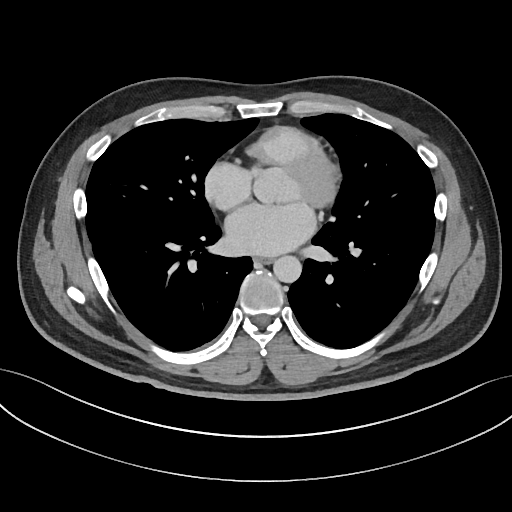 Lower-chest slice from an abdominal CT, just above the liver and spleen — axial view — SOMATOM Force scanner
Of the structures in the chest, this dataset labels only the esophagus, the aorta and the inferior vena cava; the heart and lungs have no label. Box edges are left/top/right/bottom in pixels. 2 labeled organs on this slice — esophagus at left=254, top=256, right=272, bottom=263; aorta at left=273, top=256, right=301, bottom=283.